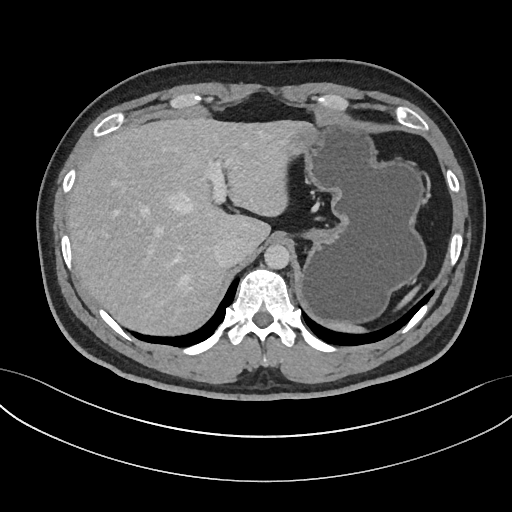
Computed tomography, abdomen — axial view — acquired on SOMATOM Force — scan has 15 labeled organs (counted over the whole 3D scan, not this slice; an organ is boxed only where this slice passes through it)
<organs><organ name="spleen" x1="334" y1="288" x2="417" y2="332"/><organ name="liver" x1="66" y1="116" x2="308" y2="334"/><organ name="stomach" x1="289" y1="125" x2="426" y2="324"/><organ name="aorta" x1="264" y1="244" x2="290" y2="269"/><organ name="inferior vena cava" x1="213" y1="236" x2="246" y2="266"/></organs>